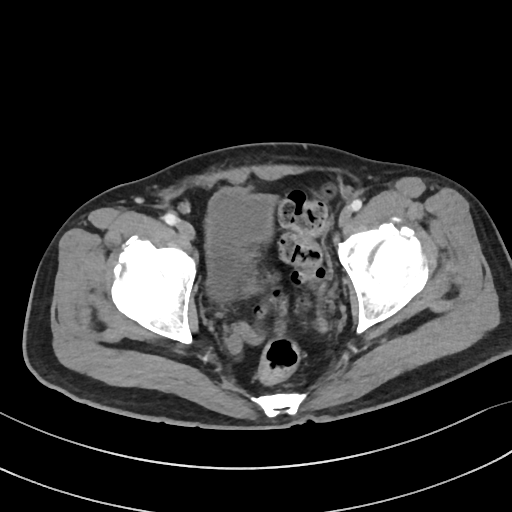 CT abdomen; axial view; scan has 15 labeled organs (a whole-scan count: organs this slice does not pass through have no box)
<organs><organ name="bladder" x1="206" y1="188" x2="274" y2="301"/></organs>